CT abdomen — axial view — abdomen soft-tissue window
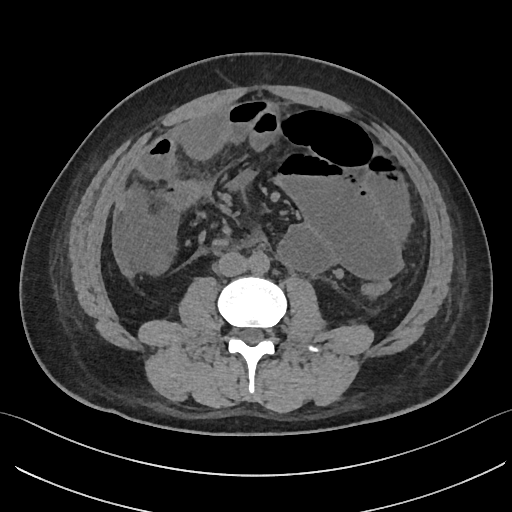 Boxes are (x1, y1, x2, y2) in pixels. 2 labeled organs on this slice — aorta at (248, 252, 269, 274); inferior vena cava at (217, 252, 247, 276).